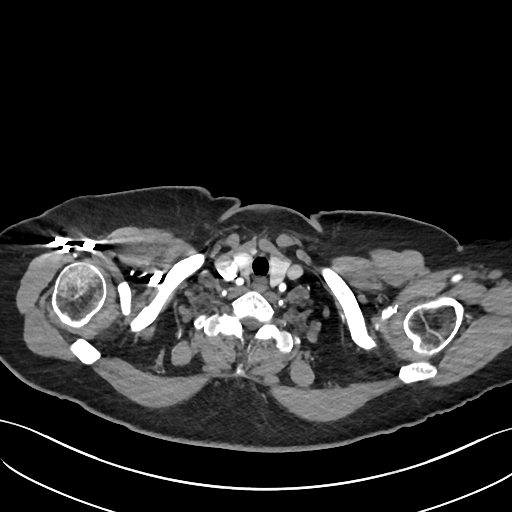 Chest-level slice from an abdominal CT that extends up into the chest. axial view. soft-tissue window (W 400 / L 40). 512x512 px. scan has 15 labeled organs (a whole-scan count: organs this slice does not pass through have no box)
At this level of the chest no structure but the esophagus and the aorta has a label in this dataset, and those two are boxed only where they are labeled.
{"organs":{"esophagus":[253,281,267,293]}}